Computed tomography, abdomen · axial view · soft-tissue window (W 400 / L 40) · 768x768 px
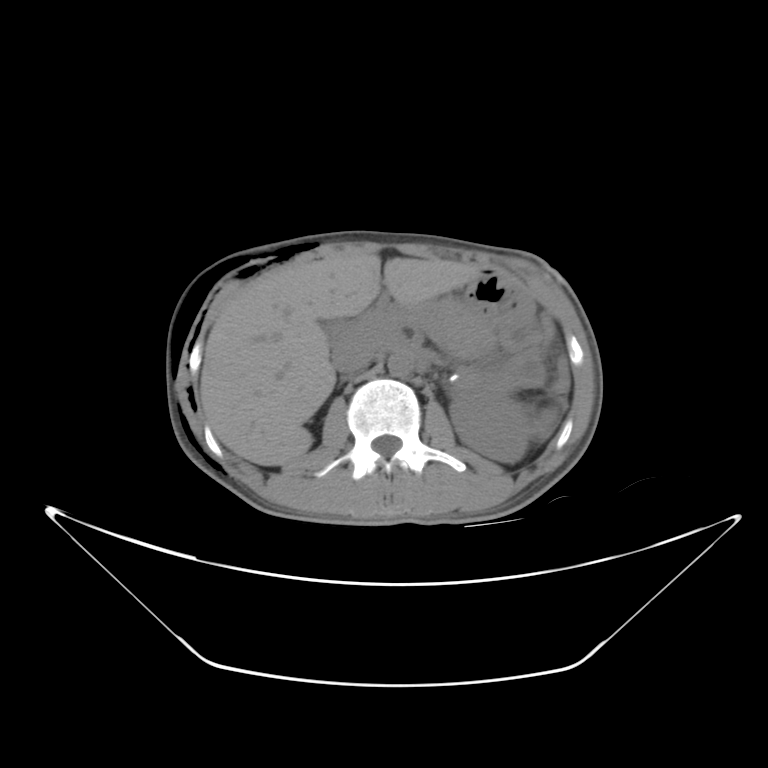
Box edges are left/top/right/bottom in pixels.
Organ bounding boxes:
- right adrenal gland: left=336, top=378, right=346, bottom=387
- inferior vena cava: left=331, top=343, right=382, bottom=373
- spleen: left=538, top=408, right=559, bottom=437
- aorta: left=387, top=355, right=412, bottom=378
- left kidney: left=447, top=386, right=525, bottom=464
- liver: left=200, top=255, right=479, bottom=465
- pancreas: left=408, top=301, right=494, bottom=356
- stomach: left=464, top=270, right=533, bottom=327